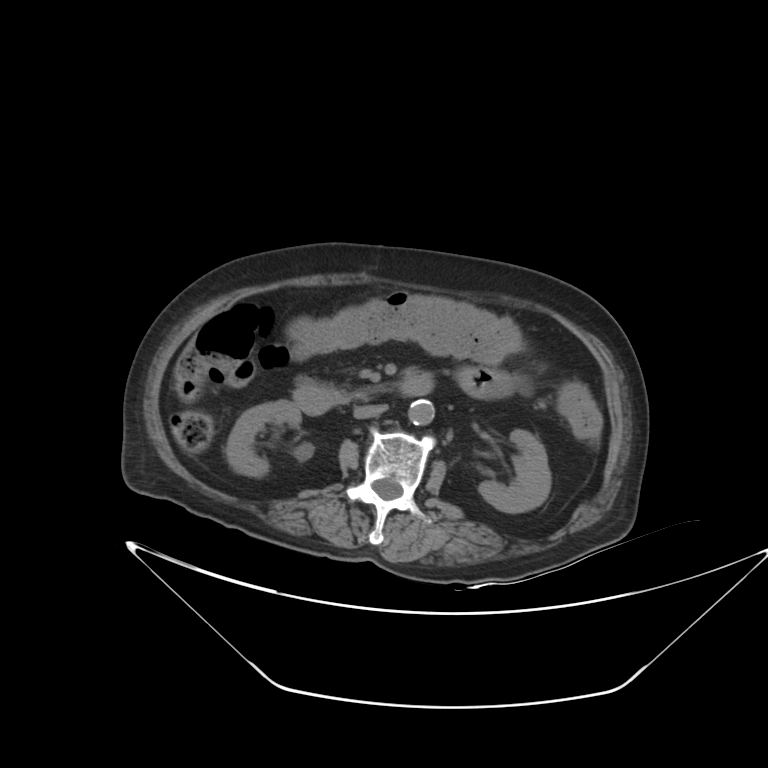
CT, abdomen/pelvis — Axial slice 63/105 — soft-tissue window (W 400 / L 40) — 768x768 px — 15 organs annotated in this scan (that count is for the whole scan; organs this slice misses have no box)
Bounding boxes as [x1, y1, x2, y2] in pixel coordinates. Labeled organs on this slice: right kidney at [226, 400, 301, 476], left kidney at [478, 429, 551, 513], aorta at [408, 399, 434, 425], inferior vena cava at [353, 404, 388, 418], duodenum at [293, 373, 433, 414].